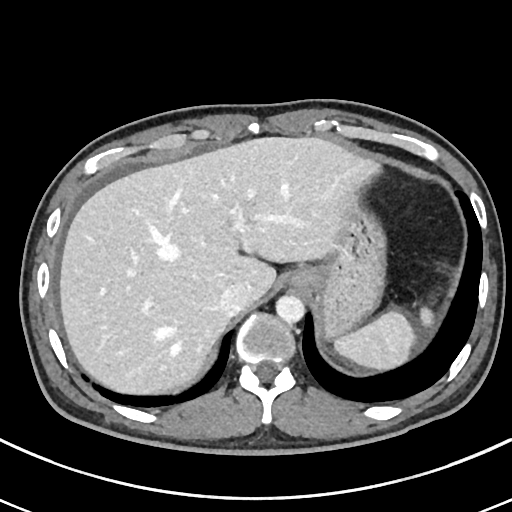 Abdominal CT — axial view
Boxes: x1:y1:x2:y2 in pixels.
Organ bounding boxes:
- spleen: 335:306:436:368
- liver: 59:136:383:395
- stomach: 293:203:388:339
- aorta: 275:295:304:322
- inferior vena cava: 219:284:247:316